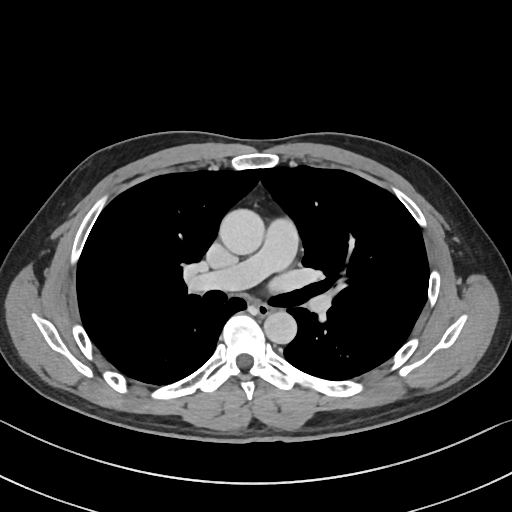
CT of the abdomen extending into the chest, slice through the chest; axial view; scan has 15 labeled organs (a whole-scan count: organs this slice does not pass through have no box)
At this level of the chest this dataset labels only the esophagus and the aorta, and each is boxed only where it is labeled; the heart and lungs are never labeled.
Boxes are (x1, y1, x2, y2) in pixels.
Organ bounding boxes:
- esophagus: (256, 303, 271, 314)
- aorta: (219, 208, 264, 254)
- aorta: (264, 311, 296, 344)